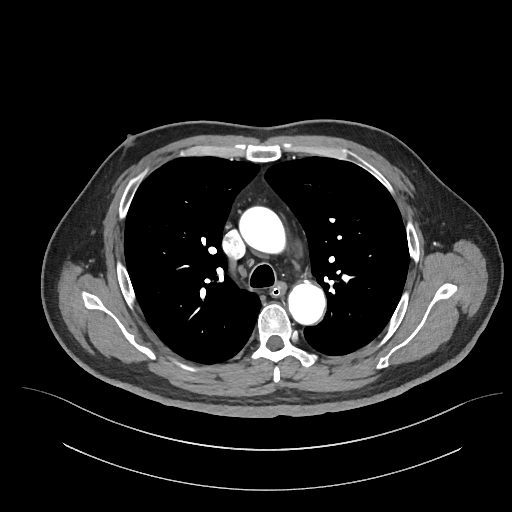

Chest-level slice from an abdominal CT that extends up into the chest. axial view. 512x512 px
At this level of the chest this dataset labels only the esophagus and the aorta, and each is boxed only where it is labeled; the heart and lungs are never labeled.
Coordinates as <box>x1,y1,x2,y2</box> in pixels.
aorta: <box>240,207,288,256</box>
aorta: <box>288,280,325,323</box>
esophagus: <box>272,282,285,295</box>